Computed tomography, abdomen; axial view
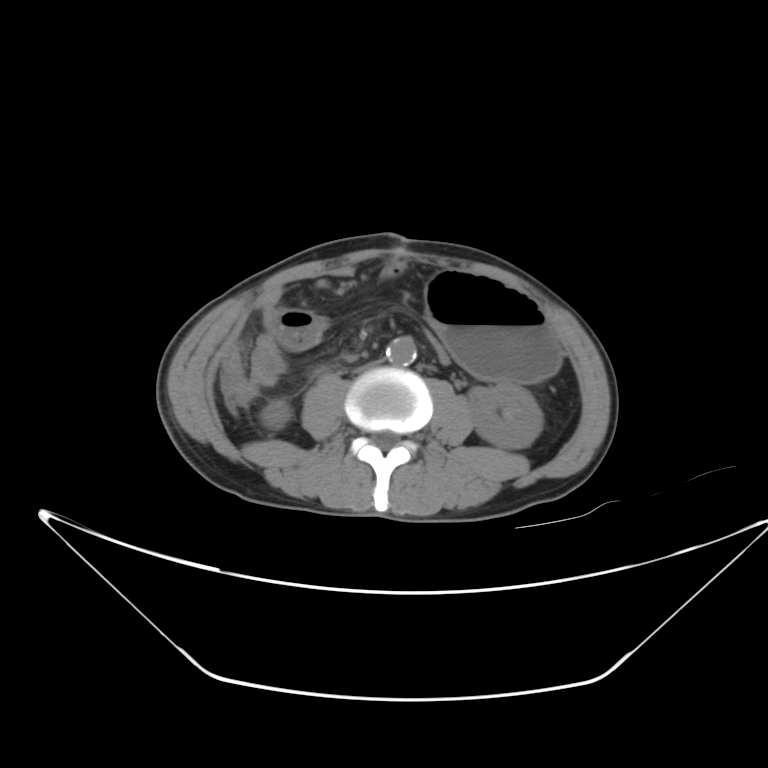 <organs><organ name="right kidney" x1="262" y1="400" x2="290" y2="427"/><organ name="left kidney" x1="467" y1="384" x2="541" y2="450"/><organ name="stomach" x1="428" y1="270" x2="557" y2="382"/><organ name="aorta" x1="386" y1="335" x2="417" y2="368"/><organ name="inferior vena cava" x1="353" y1="356" x2="388" y2="374"/></organs>